Computed tomography, abdomen · axial plane, index 204
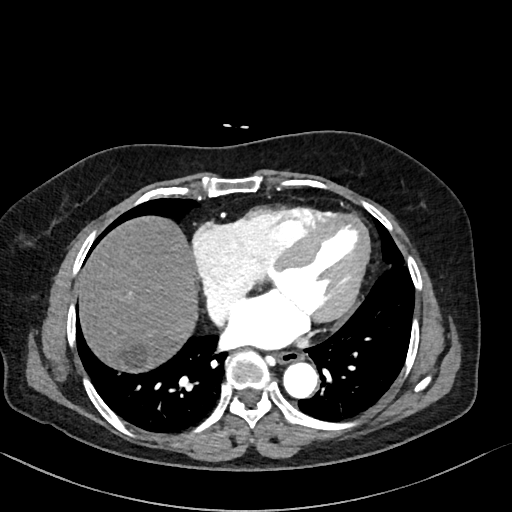
Boxes: x1:y1:x2:y2 in pixels. The annotated organs in this slice are: esophagus at 274:349:298:362, liver at 77:214:199:373, aorta at 283:361:320:397, inferior vena cava at 206:292:236:323.